Computed tomography, abdomen — axial view — W/L 400/40 HU — 512x512 px
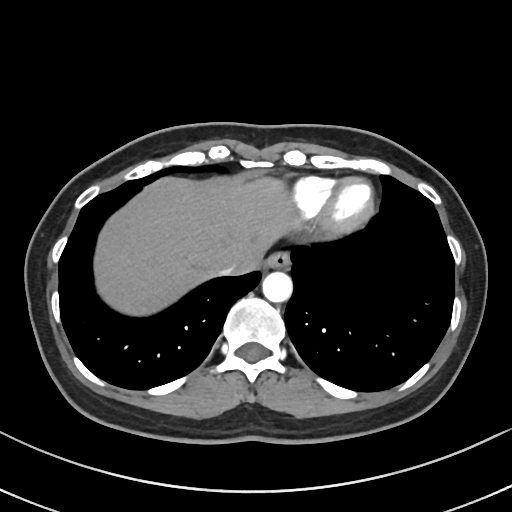
Boxes: x1 y1 x2 y2 (pixel coords, space-separated). 4 labeled organs on this slice — esophagus at 267 250 291 268; liver at 93 175 300 317; aorta at 262 271 292 302; inferior vena cava at 218 268 229 276.